Chest-level slice from an abdominal CT that extends up into the chest; axial view; 512x512 px
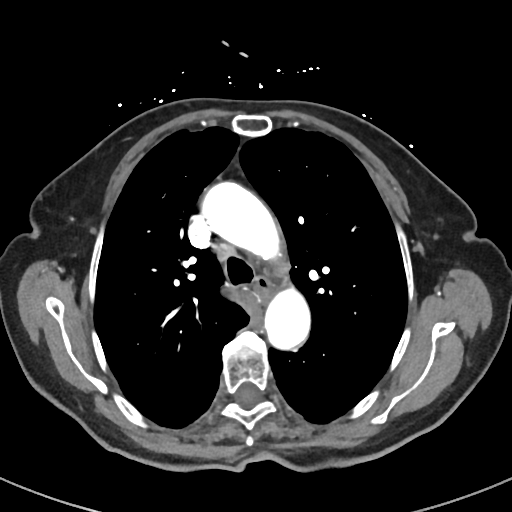 At this level of the chest no structure but the esophagus and the aorta has a label in this dataset, and those two are boxed only where they are labeled.
{"organs":{"esophagus":[253,276,271,300],"aorta":[[203,181,284,264],[264,287,311,348]]}}